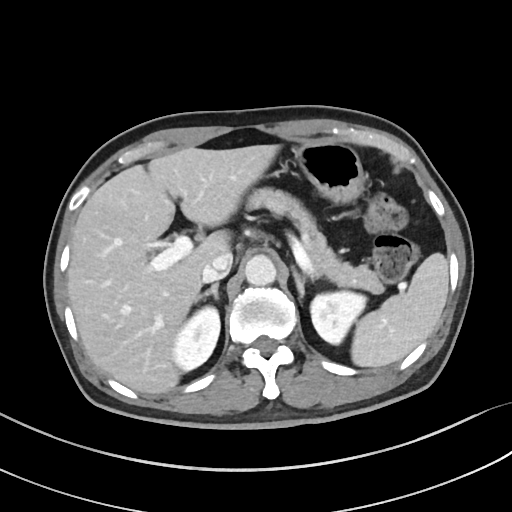

Abdominal CT — axial plane, index 68 — abdomen soft-tissue window
<organs><organ name="spleen" x1="351" y1="252" x2="448" y2="367"/><organ name="right kidney" x1="173" y1="306" x2="220" y2="371"/><organ name="left kidney" x1="311" y1="291" x2="365" y2="344"/><organ name="liver" x1="67" y1="145" x2="278" y2="393"/><organ name="stomach" x1="295" y1="142" x2="364" y2="202"/><organ name="aorta" x1="245" y1="254" x2="276" y2="285"/><organ name="inferior vena cava" x1="201" y1="253" x2="232" y2="282"/><organ name="pancreas" x1="247" y1="187" x2="384" y2="294"/><organ name="right adrenal gland" x1="198" y1="283" x2="219" y2="300"/><organ name="left adrenal gland" x1="291" y1="265" x2="306" y2="298"/></organs>